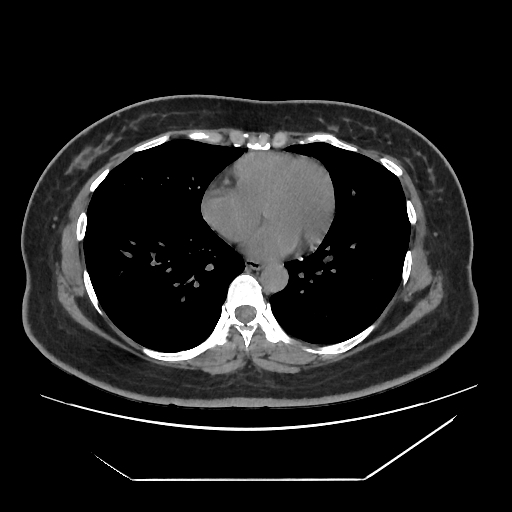 CT of the abdomen reaching into the lower chest, slice just above the liver and spleen. Axial slice 333/345. 512x512 px. scan has 15 labeled organs (counted over the whole 3D scan, not this slice; an organ is boxed only where this slice passes through it)
No part of the heart or lungs is labeled in this dataset, so neither has a box here. Boxes: x1 y1 x2 y2 (pixel coords, space-separated). 2 labeled organs on this slice — esophagus at 246 257 264 268; aorta at 260 263 287 290.